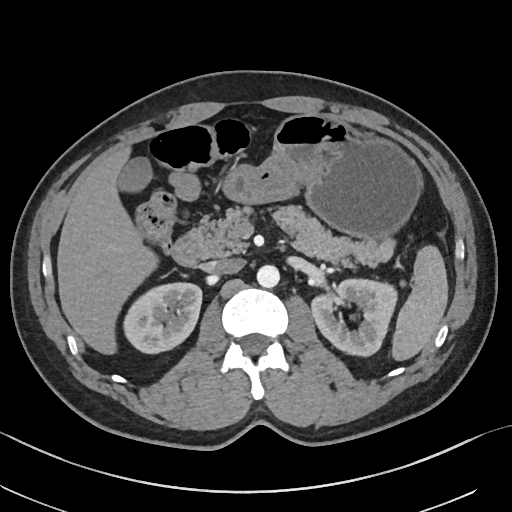 Computed tomography, abdomen — Axial slice 153/307
Bounding boxes as [x1, y1, x2, y2] in pixel coordinates.
Organ bounding boxes:
- liver: [57, 147, 157, 355]
- left kidney: [310, 279, 395, 357]
- right kidney: [124, 283, 202, 353]
- pancreas: [206, 204, 392, 264]
- inferior vena cava: [203, 258, 244, 272]
- stomach: [222, 114, 419, 237]
- gall bladder: [119, 156, 152, 191]
- duodenum: [171, 215, 210, 266]
- spleen: [391, 245, 448, 362]
- aorta: [256, 265, 279, 288]